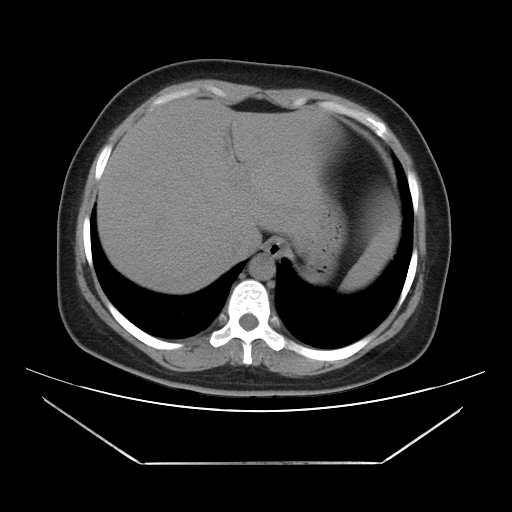 Computed tomography, abdomen — axial plane, index 81 — scan has 15 labeled organs (counted over the whole 3D scan, not this slice; an organ is boxed only where this slice passes through it)
Bounding boxes in pixels, one row per box: x1, y1 is the top-left corner and x2, y2 the bottom-right.
| organ | x1 | y1 | x2 | y2 |
|---|---|---|---|---|
| spleen | 340 | 227 | 397 | 292 |
| esophagus | 265 | 238 | 284 | 256 |
| liver | 97 | 98 | 397 | 294 |
| stomach | 301 | 194 | 345 | 283 |
| aorta | 248 | 254 | 275 | 280 |
| inferior vena cava | 227 | 234 | 260 | 258 |